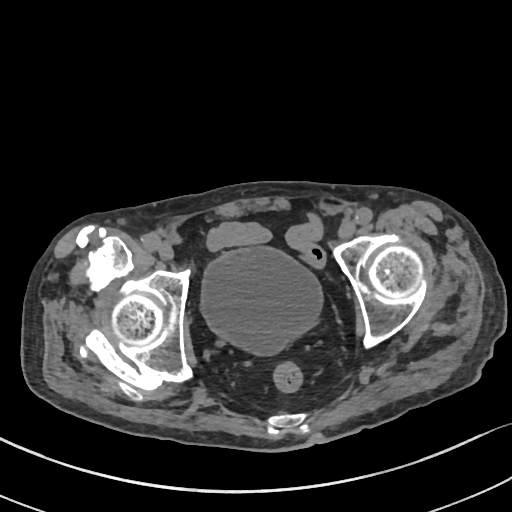

CT, abdomen/pelvis; axial view; soft-tissue window (W 400 / L 40); 512x512 px; SOMATOM Force scanner
{"organs":{"bladder":[201,246,322,354]}}